CT, abdomen/pelvis; axial plane, index 58; 62-year-old male patient
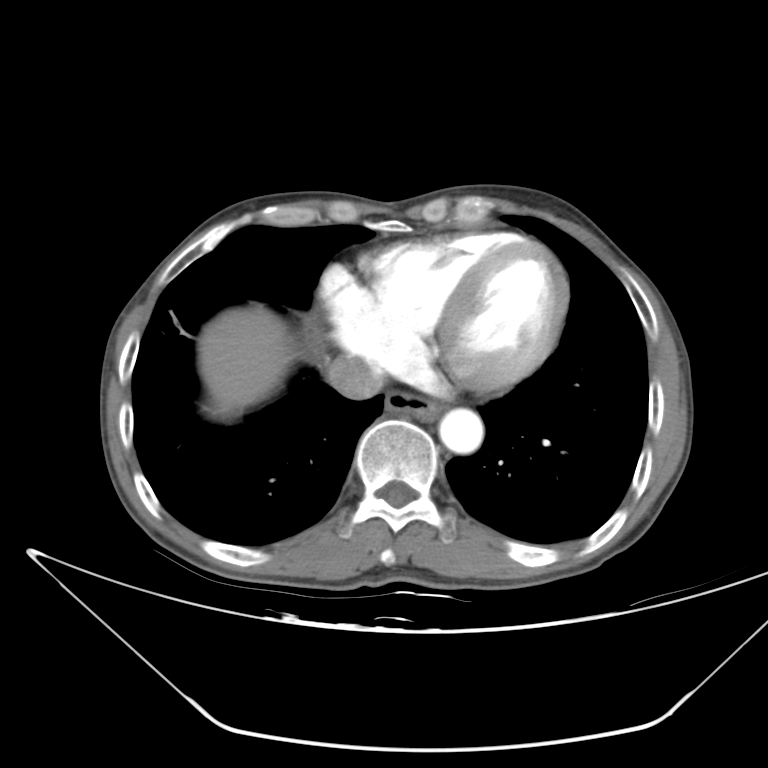

Boxes are (x1, y1, x2, y2) in pixels.
Organ bounding boxes:
- aorta: (439, 408, 483, 453)
- liver: (197, 304, 306, 419)
- inferior vena cava: (326, 357, 383, 398)
- esophagus: (385, 389, 444, 421)